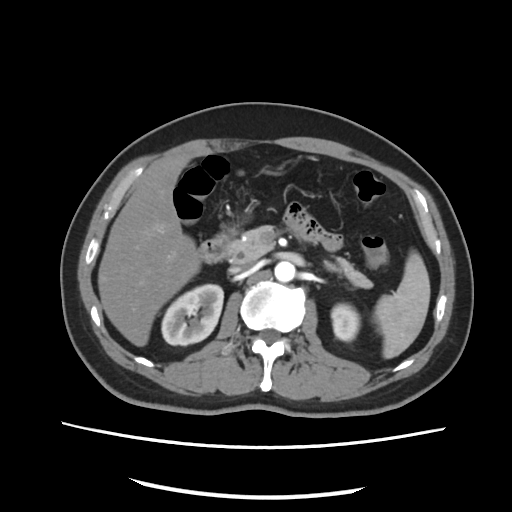 Computed tomography, abdomen · Axial slice 72/91 · abdomen soft-tissue window · acquired on Aquilion ONE
<organs><organ name="spleen" x1="372" y1="250" x2="430" y2="358"/><organ name="right kidney" x1="161" y1="284" x2="223" y2="345"/><organ name="left kidney" x1="329" y1="303" x2="359" y2="341"/><organ name="liver" x1="97" y1="152" x2="200" y2="346"/><organ name="aorta" x1="274" y1="261" x2="296" y2="281"/><organ name="inferior vena cava" x1="228" y1="261" x2="254" y2="272"/><organ name="pancreas" x1="223" y1="225" x2="373" y2="289"/><organ name="left adrenal gland" x1="323" y1="261" x2="342" y2="273"/><organ name="duodenum" x1="197" y1="230" x2="231" y2="263"/></organs>